CT, abdomen/pelvis · Axial slice 134/224 · W/L 400/40 HU
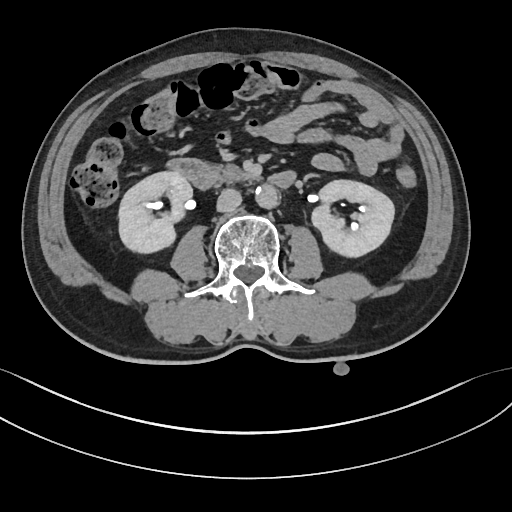

Box edges are left/top/right/bottom in pixels. 6 labeled organs on this slice — duodenum at left=167, top=158, right=296, bottom=189; right kidney at left=118, top=172, right=192, bottom=253; left kidney at left=311, top=180, right=394, bottom=256; aorta at left=255, top=184, right=278, bottom=208; pancreas at left=215, top=164, right=259, bottom=182; inferior vena cava at left=216, top=188, right=241, bottom=212.